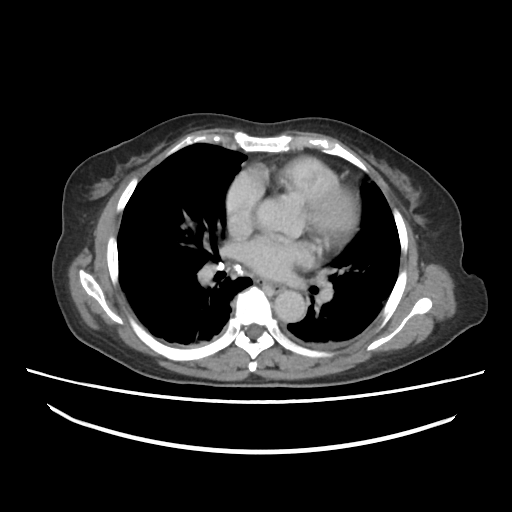 Abdominal CT; this slice is in the lower chest, just above the liver · Axial slice 97/100 · soft-tissue window, W/L 400/40 · 71-year-old female patient · Aquilion ONE scanner · scan has 15 labeled organs (counted over the whole 3D scan, not this slice; an organ is boxed only where this slice passes through it)
The heart and lungs are never labeled in this dataset, so they have no box on this slice.
<organs><organ name="esophagus" x1="258" y1="279" x2="283" y2="295"/><organ name="aorta" x1="272" y1="290" x2="307" y2="322"/></organs>